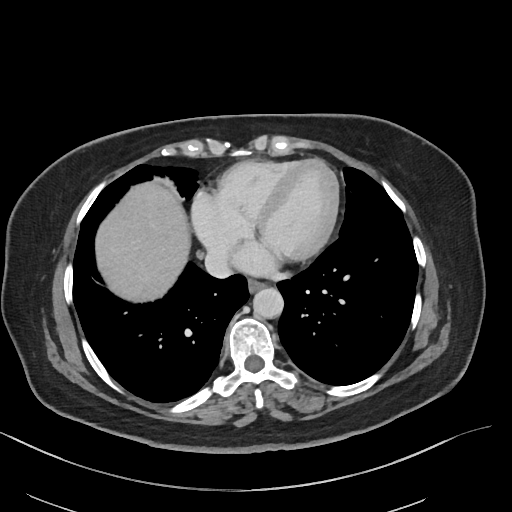 Computed tomography, abdomen — Axial slice 222/244 — 15 organs annotated in this scan (a whole-scan count: organs this slice does not pass through have no box)
Coordinates as <box>x1,y1,x2,y2</box> in pixels.
Organ bounding boxes:
- aorta: <box>252,288,283,318</box>
- liver: <box>95,181,190,301</box>
- inferior vena cava: <box>205,250,234,279</box>
- esophagus: <box>249,278,266,290</box>